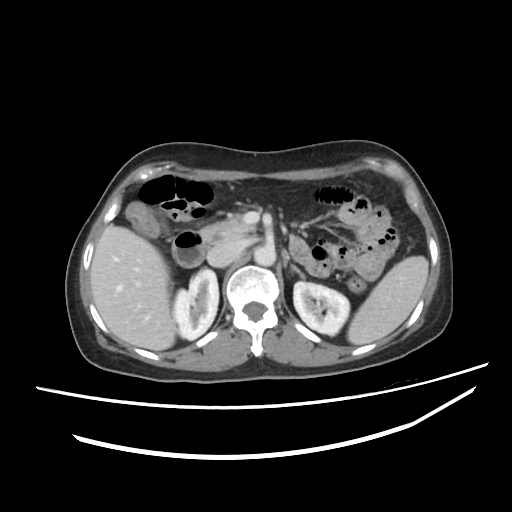 CT abdomen. axial view. abdomen soft-tissue window. 54-year-old female patient. Aquilion ONE scanner
Bounding boxes as [x1, y1, x2, y2] in pixel coordinates.
spleen: [347, 256, 428, 345]
right kidney: [173, 269, 218, 340]
left kidney: [293, 281, 349, 335]
liver: [90, 225, 175, 350]
aorta: [254, 245, 275, 266]
inferior vena cava: [207, 241, 241, 267]
pancreas: [200, 214, 255, 241]
left adrenal gland: [291, 265, 304, 278]
duodenum: [172, 230, 207, 267]